CT abdomen · axial view · W/L 400/40 HU · 512x512 px
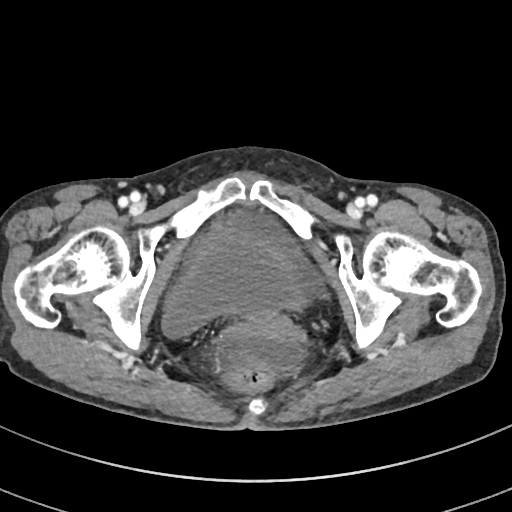 {"organs":{"bladder":[162,229,307,339],"prostate/uterus":[239,311,293,341]}}